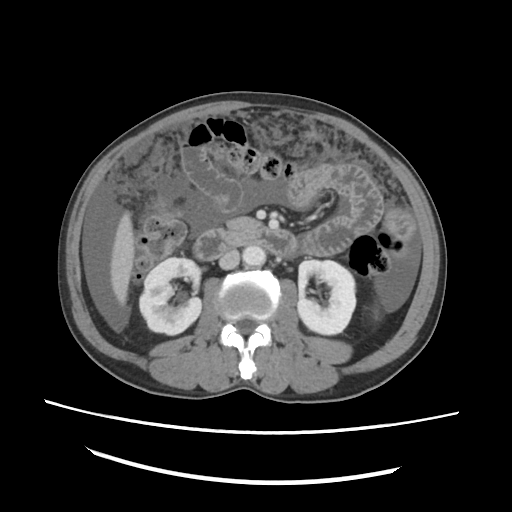
Computed tomography, abdomen · axial view · abdomen soft-tissue window · 61-year-old male patient
{"organs":{"right kidney":[139,257,201,334],"left kidney":[297,260,355,334],"liver":[110,212,134,304],"aorta":[242,246,265,266],"inferior vena cava":[219,249,239,269],"pancreas":[228,217,257,231],"duodenum":[194,226,296,260]}}